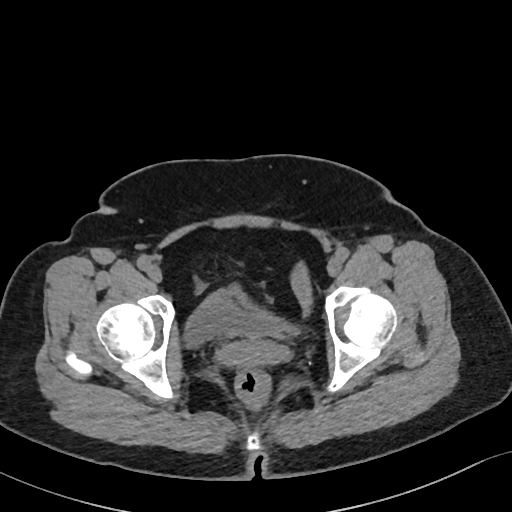

Abdominal CT. axial view. abdomen soft-tissue window. 512x512 px. SOMATOM Force scanner
Coordinates as <box>x1,y1,x2,y2</box> in pixels.
Organ bounding boxes:
- bladder: <box>182,288,296,347</box>
- prostate/uterus: <box>216,340,289,367</box>